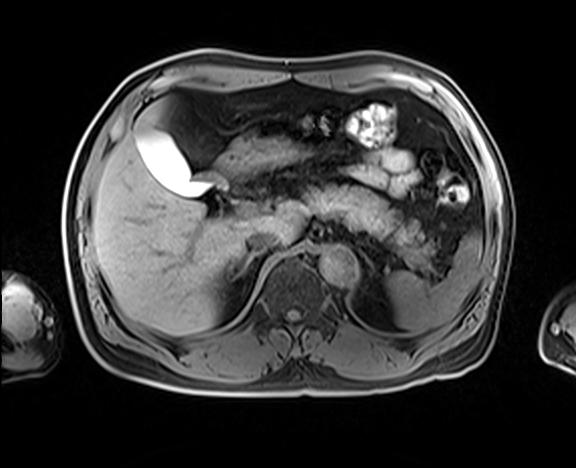
MRI, abdomen — axial view — percentile-normalized — acquired on Prisma
<organs><organ name="spleen" x1="386" y1="234" x2="482" y2="333"/><organ name="gall bladder" x1="134" y1="121" x2="228" y2="195"/><organ name="liver" x1="92" y1="101" x2="301" y2="335"/><organ name="stomach" x1="216" y1="131" x2="309" y2="175"/><organ name="aorta" x1="319" y1="245" x2="357" y2="284"/><organ name="inferior vena cava" x1="246" y1="230" x2="279" y2="251"/><organ name="pancreas" x1="304" y1="187" x2="429" y2="265"/><organ name="right adrenal gland" x1="234" y1="251" x2="259" y2="278"/><organ name="left adrenal gland" x1="358" y1="251" x2="374" y2="268"/></organs>